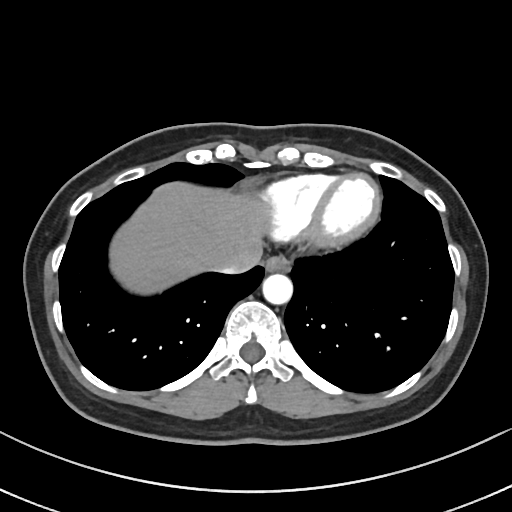

CT abdomen. axial view
Boxes: x1:y1:x2:y2 in pixels. 4 labeled organs on this slice — esophagus at 265:257:290:272; liver at 111:183:270:292; aorta at 262:274:292:304; inferior vena cava at 214:255:261:272.